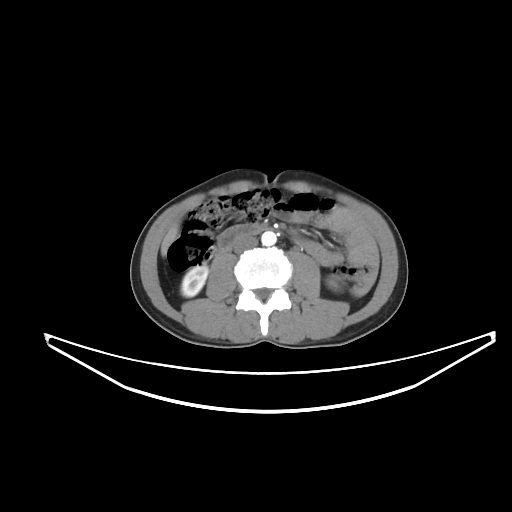 Abdominal CT — axial plane, index 50 — 512x512 px — acquired on Aquilion ONE
Bounding boxes as [x1, y1, x2, y2] in pixel coordinates.
right kidney: [181, 265, 208, 297]
inferior vena cava: [234, 235, 258, 253]
aorta: [261, 231, 276, 245]
liver: [161, 223, 178, 256]
left kidney: [328, 280, 336, 287]
duodenum: [218, 224, 266, 251]